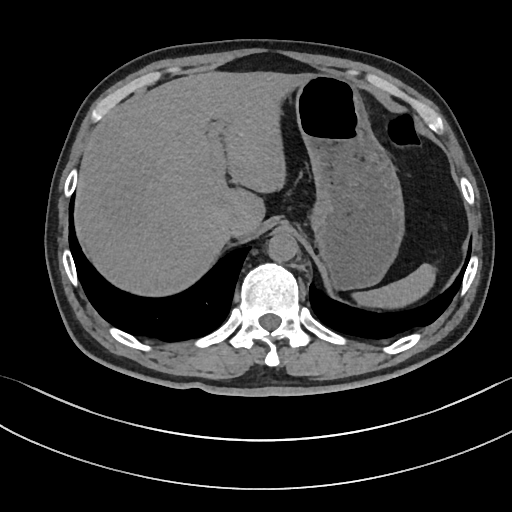 Abdominal CT; axial view; soft-tissue window (W 400 / L 40)
Coordinates as <box>x1,y1,x2,y2</box> in pixels.
Organ bounding boxes:
- spleen: <box>353,263,435,308</box>
- liver: <box>75,71,312,296</box>
- stomach: <box>294,74,404,289</box>
- aorta: <box>267,231,298,262</box>
- inferior vena cava: <box>223,211,244,236</box>